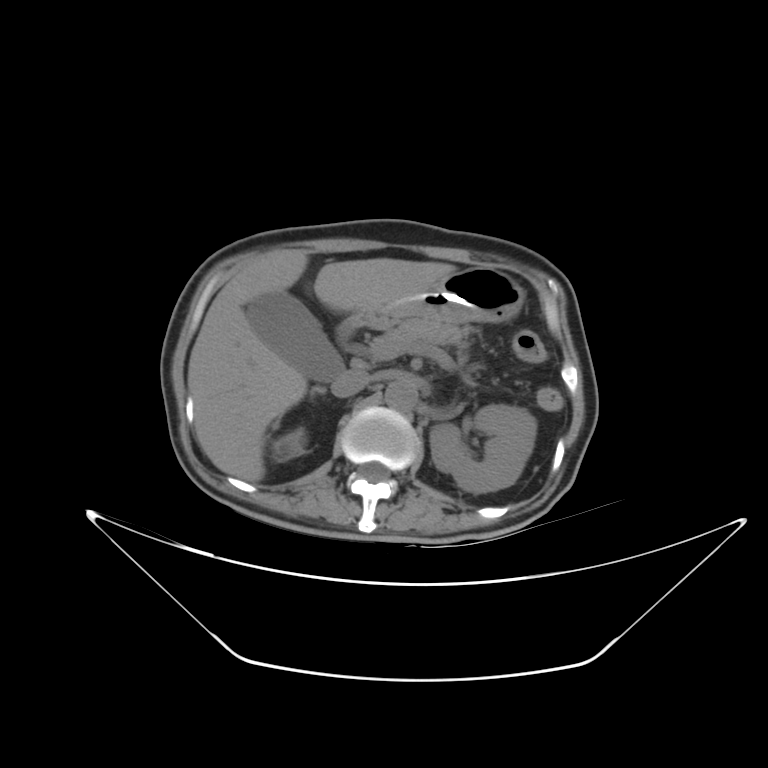 CT abdomen · axial view · 768x768 px · scan has 15 labeled organs (a whole-scan count: organs this slice does not pass through have no box)
{"organs":{"aorta":[385,380,417,411],"inferior vena cava":[331,369,370,397],"gall bladder":[246,293,343,381],"liver":[187,249,456,481],"right adrenal gland":[312,388,326,397],"left kidney":[429,404,536,493],"duodenum":[336,313,367,344],"right kidney":[271,427,306,460],"stomach":[366,266,524,327],"pancreas":[372,317,469,365]}}